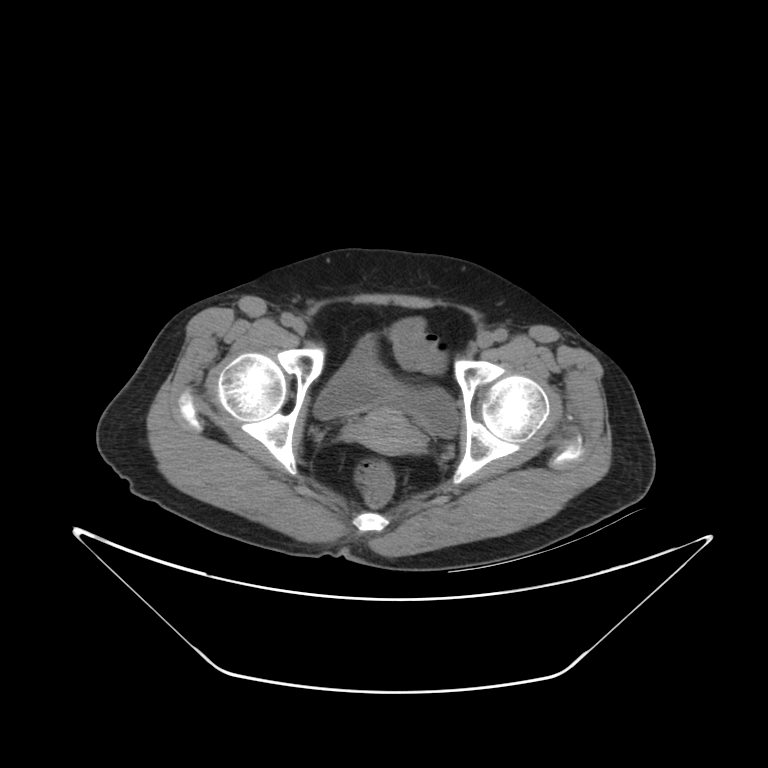
CT, abdomen/pelvis — Axial slice 13/91 — W/L 400/40 HU — 56-year-old female patient — scan has 15 labeled organs (that count is for the whole scan; organs this slice misses have no box)
<organs><organ name="bladder" x1="314" y1="336" x2="459" y2="436"/><organ name="prostate/uterus" x1="341" y1="407" x2="422" y2="452"/></organs>